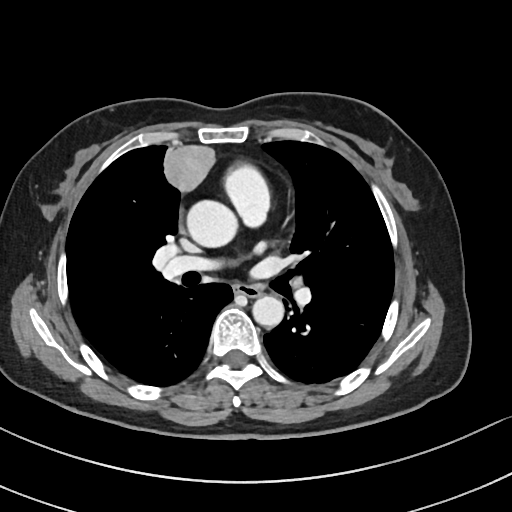
Chest-level CT slice, above the liver and spleen · axial view · W/L 400/40 HU · 512x512 px · SOMATOM Force scanner
At this level of the chest no structure but the esophagus and the aorta has a label in this dataset, and those two are boxed only where they are labeled.
Boxes: x1:y1:x2:y2 in pixels.
Organ bounding boxes:
- esophagus: 234:284:260:297
- aorta: 187:200:238:247
- aorta: 252:295:283:327